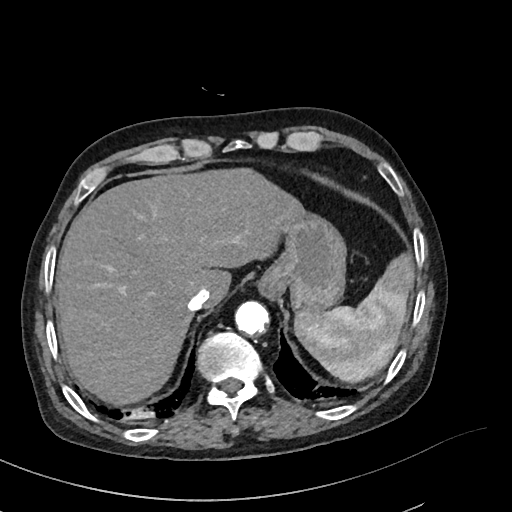
CT, abdomen/pelvis — Axial slice 198/235 — W/L 400/40 HU — scan has 15 labeled organs (that count is for the whole scan; organs this slice misses have no box)
Bounding boxes as [x1, y1, x2, y2] in pixel coordinates. Labeled organs on this slice: esophagus at [257, 272, 280, 302], inferior vena cava at [189, 287, 211, 310], spleen at [294, 255, 413, 381], aorta at [235, 301, 269, 335], stomach at [265, 213, 344, 309], liver at [57, 170, 304, 403].